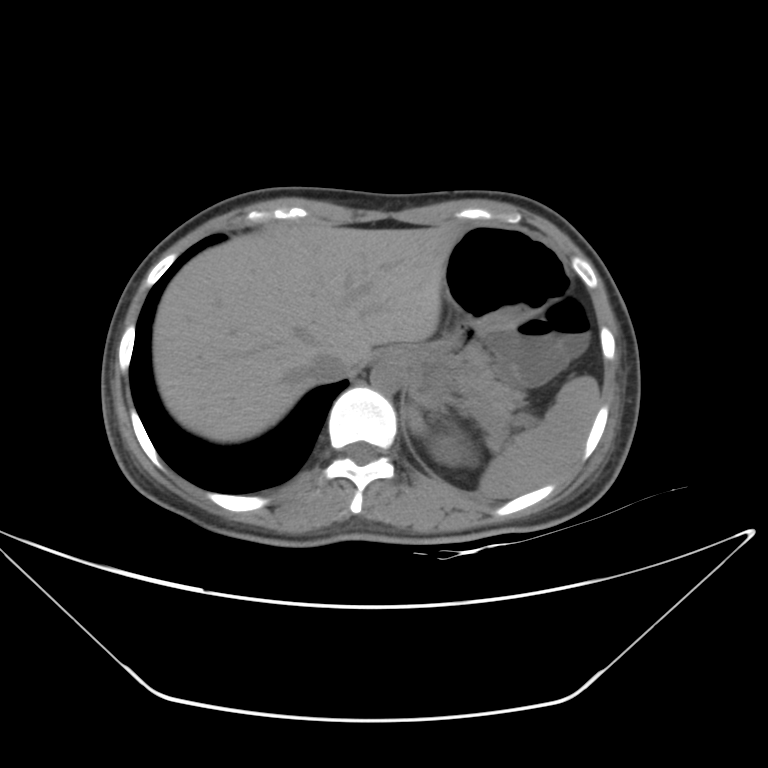 Computed tomography, abdomen · axial view · Brilliance16 scanner
Boxes are (x1, y1, x2, y2) in pixels. 7 labeled organs on this slice — liver at (153, 225, 462, 441); aorta at (369, 358, 403, 393); spleen at (406, 375, 599, 498); pancreas at (461, 372, 523, 438); inferior vena cava at (308, 350, 351, 382); stomach at (383, 223, 570, 406); left kidney at (431, 434, 469, 466).